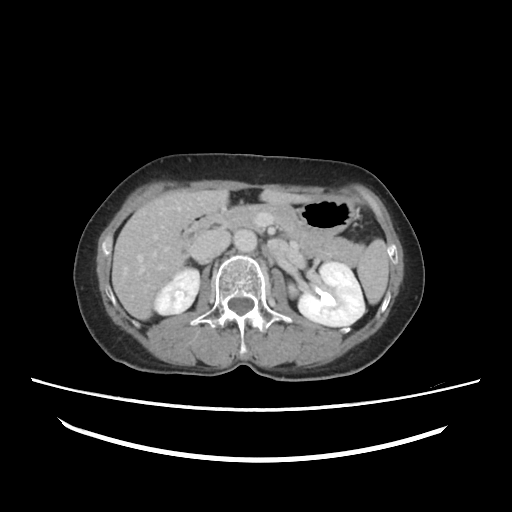

CT abdomen — axial view — 54-year-old female patient — Aquilion ONE scanner — scan has 15 labeled organs (counted over the whole 3D scan, not this slice; an organ is boxed only where this slice passes through it)
Each box given as x1,y1,x2,y2. 9 labeled organs on this slice — spleen at x1=356, y1=238, x2=388, y2=304; right kidney at x1=155, y1=267, x2=200, y2=316; left kidney at x1=235, y1=229, x2=365, y2=325; liver at x1=111, y1=188, x2=315, y2=320; stomach at x1=299, y1=199, x2=352, y2=233; aorta at x1=234, y1=233, x2=256, y2=253; inferior vena cava at x1=191, y1=229, x2=229, y2=262; pancreas at x1=220, y1=202, x2=367, y2=265; duodenum at x1=181, y1=213, x2=222, y2=244.